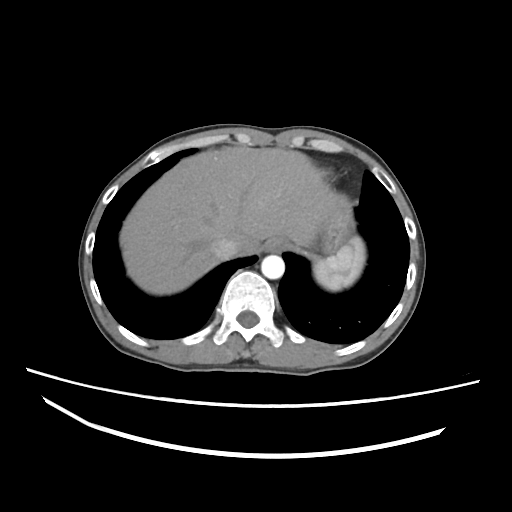
Computed tomography, abdomen. axial plane, index 89. soft-tissue window (W 400 / L 40). 512x512 px. scan has 15 labeled organs (a whole-scan count: organs this slice does not pass through have no box)
Each box given as x1,y1,x2,y2.
spleen: x1=313, y1=236, x2=365, y2=290
esophagus: x1=263, y1=238, x2=285, y2=252
liver: x1=120, y1=147, x2=340, y2=294
stomach: x1=317, y1=211, x2=351, y2=252
aorta: x1=261, y1=255, x2=284, y2=279
inferior vena cava: x1=210, y1=237, x2=238, y2=260